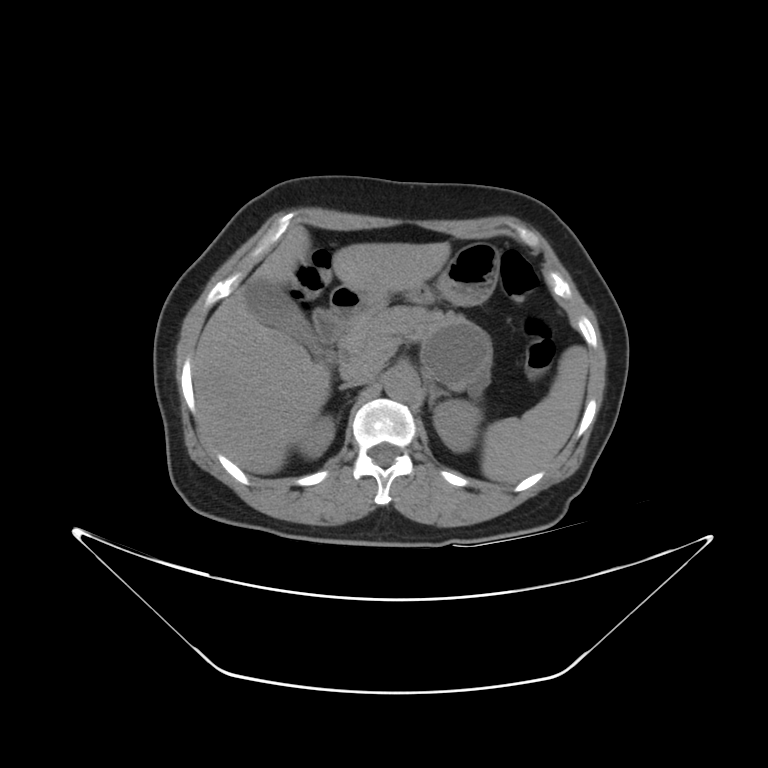
Computed tomography, abdomen · Axial slice 66/91 · abdomen soft-tissue window
Box edges are left/top/right/bottom in pixels.
spleen: left=481, top=345, right=589, bottom=484
right kidney: left=301, top=417, right=334, bottom=461
left kidney: left=433, top=401, right=479, bottom=451
gall bladder: left=246, top=278, right=338, bottom=363
liver: left=193, top=225, right=450, bottom=473
stomach: left=331, top=243, right=500, bottom=321
aorta: left=384, top=368, right=419, bottom=400
inferior vena cava: left=347, top=367, right=383, bottom=388
pancreas: left=337, top=307, right=491, bottom=381
left adrenal gland: left=427, top=378, right=451, bottom=400
duodenum: left=313, top=306, right=353, bottom=342